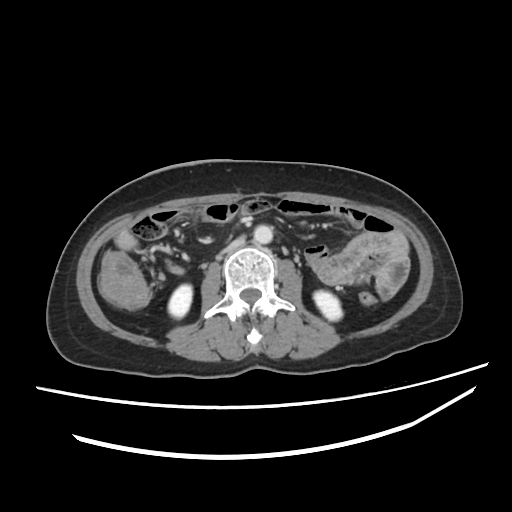 Abdominal CT; axial plane, index 50; soft-tissue window (W 400 / L 40); 54-year-old female patient; acquired on Aquilion ONE
Bounding boxes as [x1, y1, x2, y2] in pixel coordinates.
Organ bounding boxes:
- aorta: [253, 225, 272, 243]
- right kidney: [168, 284, 192, 318]
- inferior vena cava: [221, 237, 245, 253]
- left kidney: [313, 290, 342, 320]